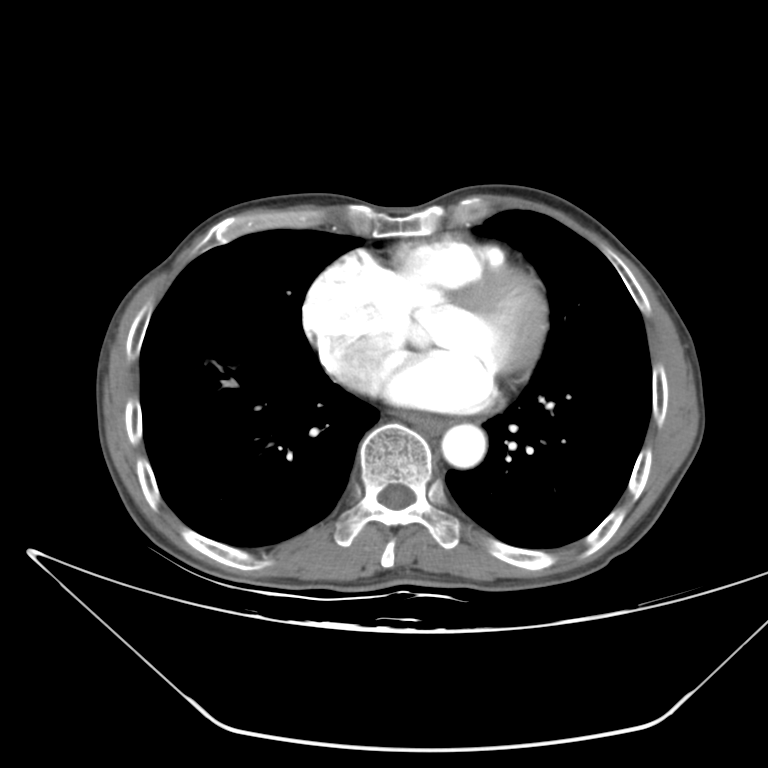

CT of the abdomen reaching into the lower chest, slice just above the liver and spleen · axial view · W/L 400/40 HU · 768x768 px · scan has 13 labeled organs (a whole-scan count: organs this slice does not pass through have no box)
Of the structures in the chest, this dataset labels only the esophagus, the aorta and the inferior vena cava; the heart and lungs have no label.
Box edges are left/top/right/bottom in pixels.
Organ bounding boxes:
- esophagus: left=401, top=413, right=446, bottom=432
- aorta: left=441, top=424, right=485, bottom=467